Chest-level slice from an abdominal CT that extends up into the chest · axial plane, index 81 · soft-tissue window · 512x512 px
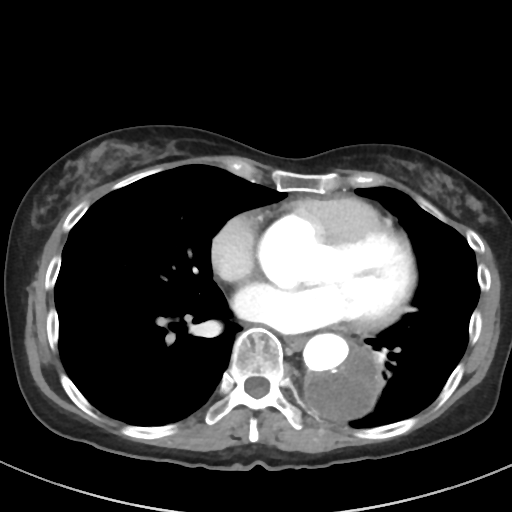
At this level of the chest no structure but the esophagus and the aorta has a label in this dataset, and those two are boxed only where they are labeled.
{"organs":{"esophagus":[286,336,305,349],"aorta":[303,333,377,421]}}